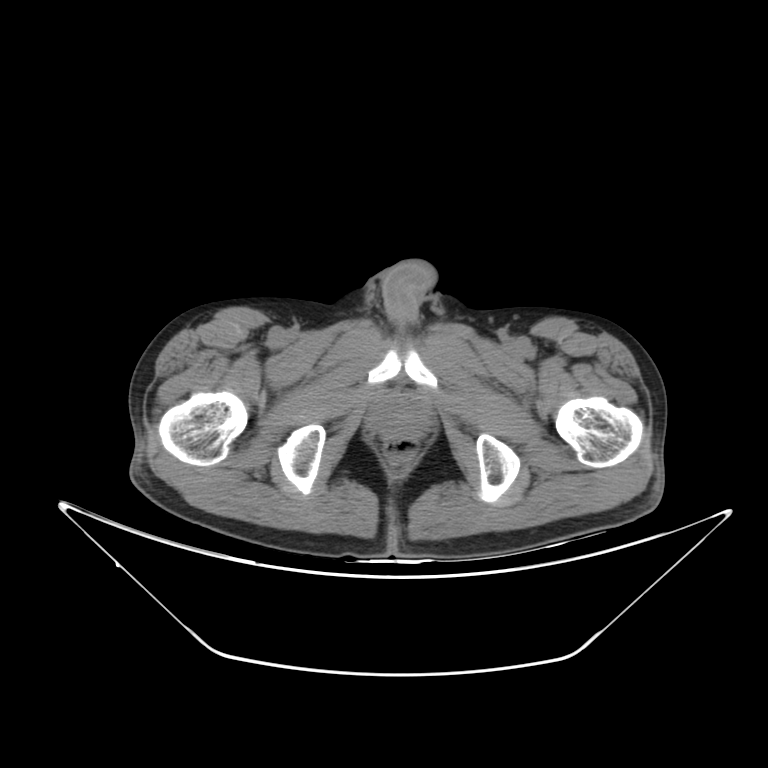

Abdominal CT · axial view · abdomen soft-tissue window · 768x768 px · 52-year-old male patient
Organ boxes in pixel coordinates; each row gives the top-left (x1, y1) and bottom-right (x2, y2) corners.
| organ | x1 | y1 | x2 | y2 |
|---|---|---|---|---|
| prostate/uterus | 374 | 397 | 426 | 436 |